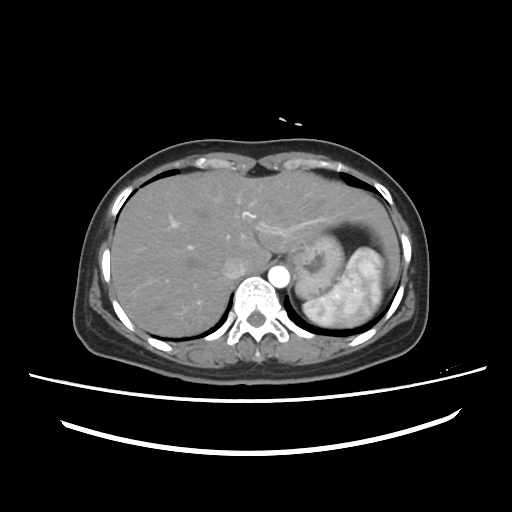 CT abdomen · axial plane, index 80 · soft-tissue window (W 400 / L 40) · 512x512 px
Bounding boxes as [x1, y1, x2, y2] in pixel coordinates.
aorta: [268, 266, 289, 287]
stomach: [288, 233, 343, 299]
spleen: [303, 247, 382, 327]
inferior vena cava: [223, 257, 246, 279]
liver: [112, 170, 399, 336]